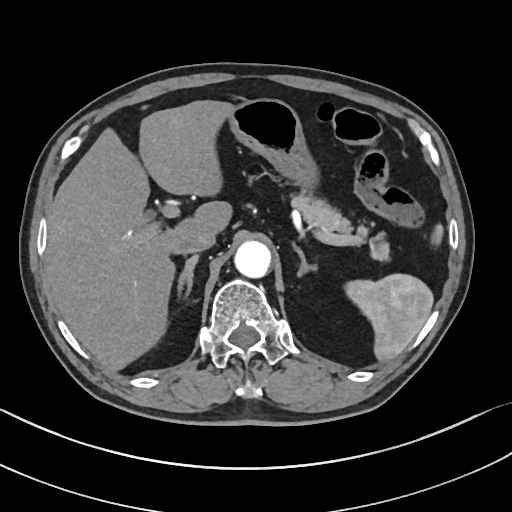
Abdominal CT — axial view — W/L 400/40 HU
{"organs":{"spleen":[344,224,443,361],"liver":[45,100,234,370],"left adrenal gland":[292,243,316,276],"stomach":[228,98,319,192],"pancreas":[291,191,389,260],"right adrenal gland":[177,255,198,298],"aorta":[234,241,271,278],"inferior vena cava":[173,229,215,255]}}